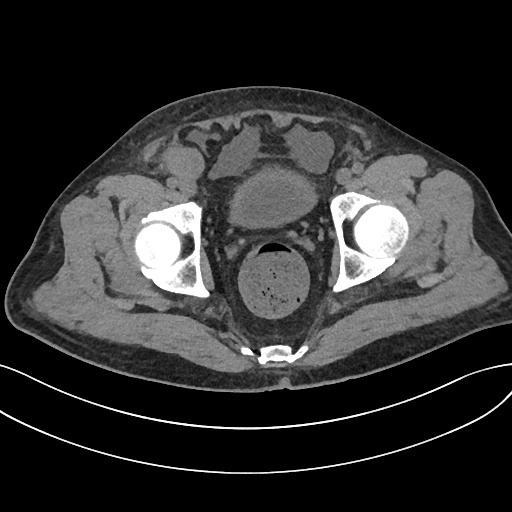 CT abdomen; axial view; W/L 400/40 HU
{"organs":{"bladder":[230,169,316,227]}}